Chest-level CT slice, above the liver and spleen. Axial slice 270/284. W/L 400/40 HU. 512x512 px
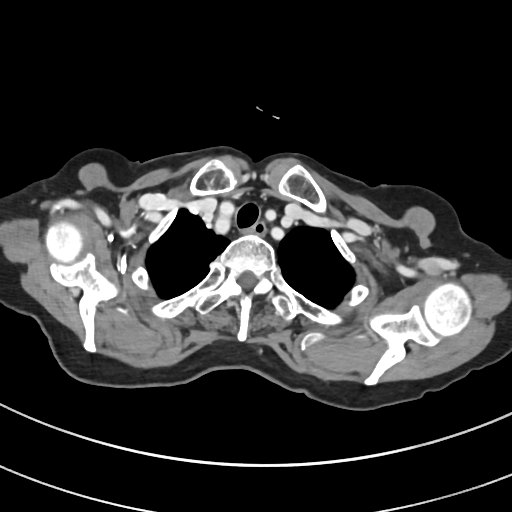 At this level of the chest this dataset labels only the esophagus and the aorta, and each is boxed only where it is labeled; the heart and lungs are never labeled. Boxes: x1 y1 x2 y2 (pixel coords, space-separated). 1 labeled organ on this slice — esophagus at 248 221 265 235.